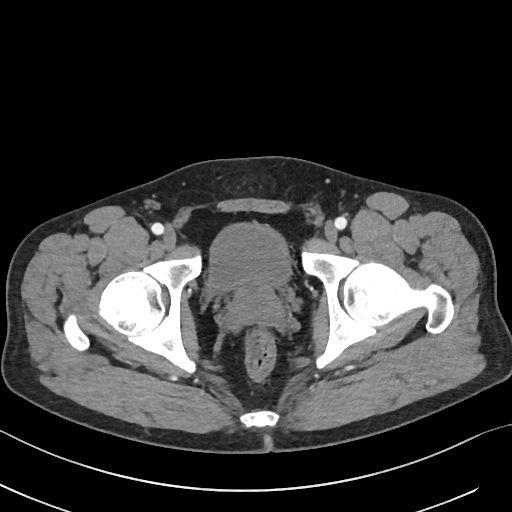
Abdominal CT · axial plane, index 33 · 512x512 px · acquired on SOMATOM Force
{"organs":{"bladder":[206,223,290,293],"prostate/uterus":[229,284,281,324]}}